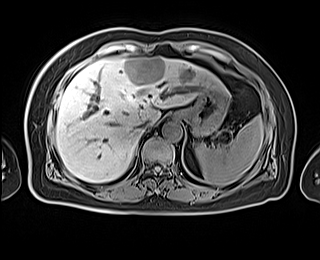

Abdominal MRI. axial view. percentile-normalized. scan has 13 labeled organs (counted over the whole 3D scan, not this slice; an organ is boxed only where this slice passes through it)
Bounding boxes in pixels, one row per box: x1, y1 is the top-left corner and x2, y2 the bottom-right.
| organ | x1 | y1 | x2 | y2 |
|---|---|---|---|---|
| spleen | 194 | 115 | 263 | 185 |
| liver | 56 | 56 | 226 | 182 |
| stomach | 176 | 87 | 228 | 136 |
| aorta | 162 | 121 | 182 | 141 |
| inferior vena cava | 139 | 119 | 150 | 131 |